Computed tomography, abdomen · axial view · 49-year-old female patient
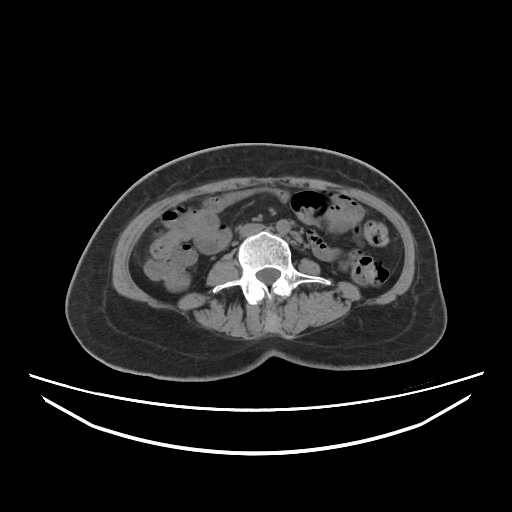 Bounding boxes in pixels, one row per box: x1, y1 is the top-left corner and x2, y2 the bottom-right.
| organ | x1 | y1 | x2 | y2 |
|---|---|---|---|---|
| aorta | 276 | 219 | 290 | 234 |
| inferior vena cava | 240 | 223 | 265 | 236 |